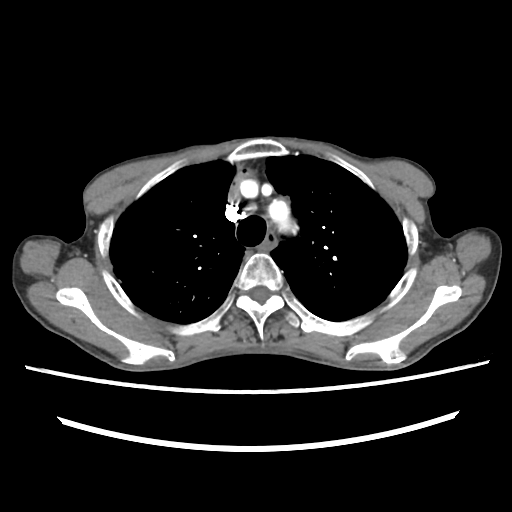

Chest-level slice from an abdominal CT that extends up into the chest · axial view · 81-year-old male patient
At this level of the chest this dataset labels only the esophagus and the aorta, and each is boxed only where it is labeled; the heart and lungs are never labeled.
{"organs":{"esophagus":[262,232,275,250],"aorta":[269,202,291,230]}}